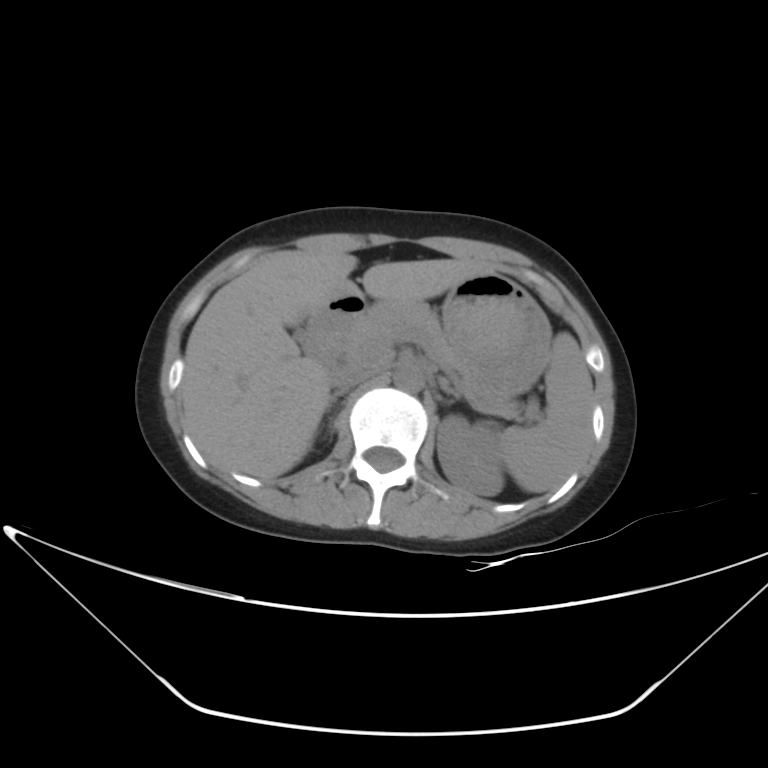 Abdominal CT; axial view; soft-tissue window; 768x768 px; 28-year-old female patient
<organs><organ name="liver" x1="180" y1="250" x2="494" y2="478"/><organ name="left adrenal gland" x1="441" y1="382" x2="460" y2="397"/><organ name="inferior vena cava" x1="330" y1="366" x2="375" y2="393"/><organ name="duodenum" x1="305" y1="295" x2="364" y2="361"/><organ name="aorta" x1="394" y1="365" x2="423" y2="391"/><organ name="pancreas" x1="342" y1="301" x2="520" y2="412"/><organ name="spleen" x1="501" y1="333" x2="593" y2="492"/><organ name="stomach" x1="345" y1="272" x2="550" y2="398"/><organ name="gall bladder" x1="293" y1="325" x2="307" y2="349"/><organ name="right adrenal gland" x1="325" y1="392" x2="343" y2="410"/><organ name="left kidney" x1="437" y1="415" x2="503" y2="495"/></organs>